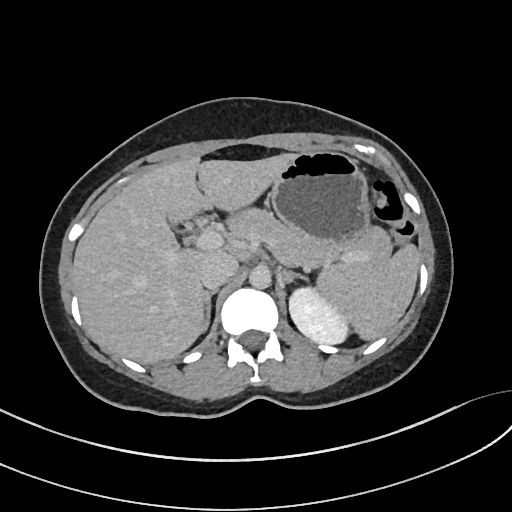 Computed tomography, abdomen; axial view; soft-tissue window (W 400 / L 40); 512x512 px; SOMATOM Force scanner
Bounding boxes as [x1, y1, x2, y2] in pixel coordinates. Labeled organs on this slice: left kidney at [288, 286, 348, 343], inferior vena cava at [199, 252, 238, 289], aorta at [248, 266, 270, 288], spleen at [316, 245, 419, 338], stomach at [269, 150, 366, 245], liver at [72, 153, 292, 363], right adrenal gland at [200, 290, 215, 333], left adrenal gland at [281, 267, 305, 281], pancreas at [223, 205, 390, 273].